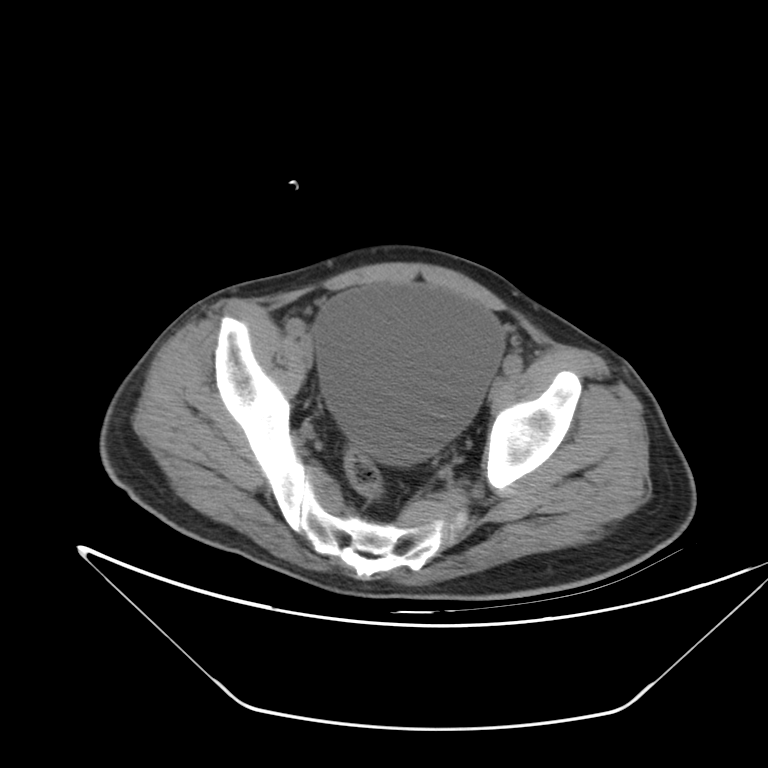
CT, abdomen/pelvis. axial view. abdomen soft-tissue window. 47-year-old male patient
Bounding boxes in pixels, one row per box: x1, y1 is the top-left corner and x2, y2 the bottom-right.
| organ | x1 | y1 | x2 | y2 |
|---|---|---|---|---|
| bladder | 317 | 284 | 502 | 463 |